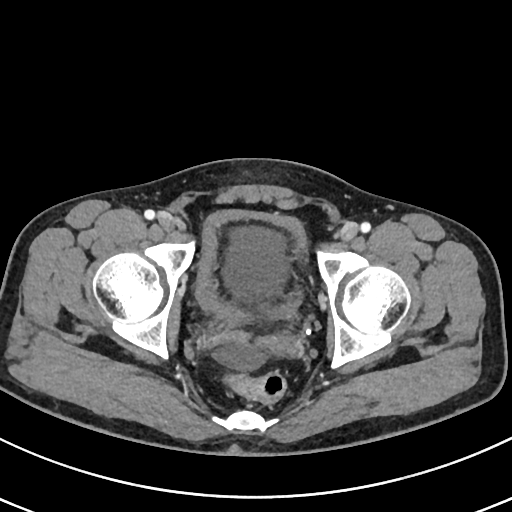 CT abdomen — axial plane, index 27 — soft-tissue window — 512x512 px — 15 organs annotated in this scan (counted over the whole 3D scan, not this slice; an organ is boxed only where this slice passes through it)
{"organs":{"bladder":[196,209,308,322]}}